Chest-level slice from an abdominal CT that extends up into the chest; axial view; soft-tissue window, W/L 400/40; 49-year-old male patient; acquired on Aquilion ONE
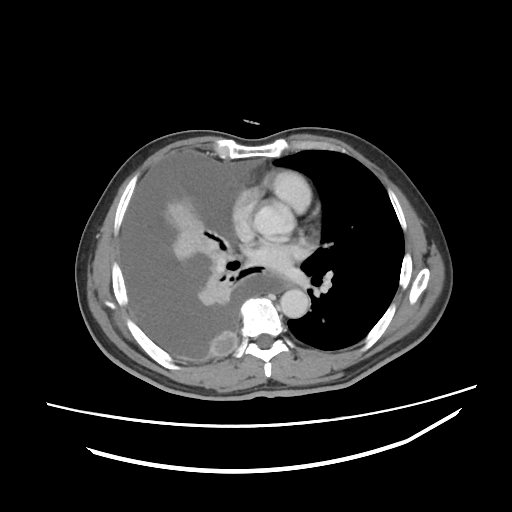
At this level of the chest no structure but the esophagus and the aorta has a label in this dataset, and those two are boxed only where they are labeled. Boxes are (x1, y1, x2, y2) in pixels. Labeled organs on this slice: esophagus at (285, 279, 292, 288), aorta at (280, 289, 309, 318).